Abdominal CT. axial view. 512x512 px
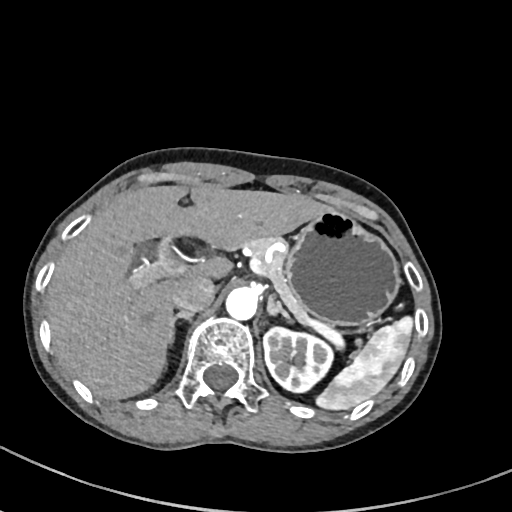

Coordinates as <box>x1,y1,x2,y2</box> in pixels.
Organ bounding boxes:
- spleen: <box>316,316,412,410</box>
- left kidney: <box>263,327,332,392</box>
- liver: <box>49,185,331,399</box>
- stomach: <box>285,208,400,326</box>
- aorta: <box>225,286,258,320</box>
- inferior vena cava: <box>172,277,215,314</box>
- pancreas: <box>240,236,339,336</box>
- right adrenal gland: <box>170,313,191,343</box>
- left adrenal gland: <box>267,295,292,322</box>